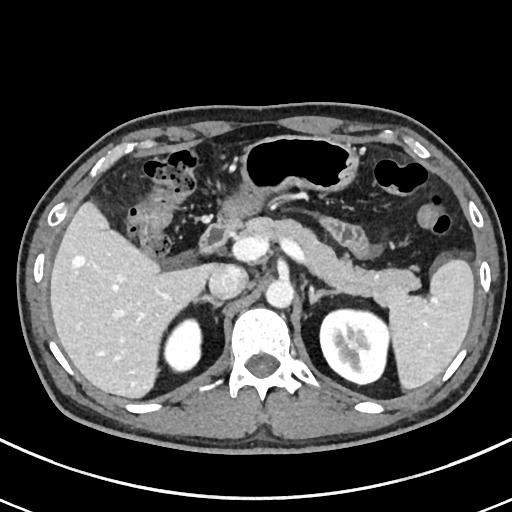

Abdominal CT; axial view
Organ boxes in pixel coordinates; each row gives the top-left (x1, y1) and bottom-right (x2, y2) corners.
| organ | x1 | y1 | x2 | y2 |
|---|---|---|---|---|
| left adrenal gland | 308 | 286 | 334 | 307 |
| pancreas | 245 | 217 | 416 | 307 |
| liver | 50 | 200 | 219 | 398 |
| gall bladder | 186 | 254 | 189 | 256 |
| duodenum | 198 | 216 | 240 | 253 |
| inferior vena cava | 208 | 265 | 247 | 300 |
| right adrenal gland | 193 | 295 | 225 | 305 |
| left kidney | 320 | 311 | 389 | 383 |
| stomach | 218 | 135 | 360 | 222 |
| right kidney | 165 | 319 | 200 | 371 |
| aorta | 266 | 279 | 294 | 308 |
| spleen | 388 | 257 | 473 | 389 |